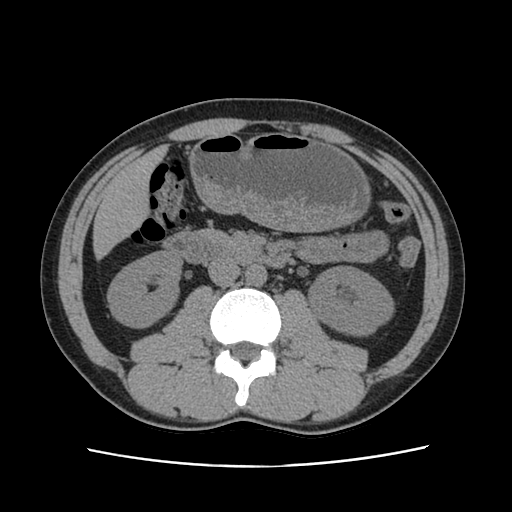 CT abdomen — axial view — soft-tissue window
{"organs":{"right kidney":[107,251,181,327],"left kidney":[308,266,393,335],"liver":[92,145,167,260],"stomach":[189,133,370,231],"aorta":[245,264,267,285],"inferior vena cava":[208,259,240,286],"pancreas":[202,231,229,240],"duodenum":[164,232,288,267]}}